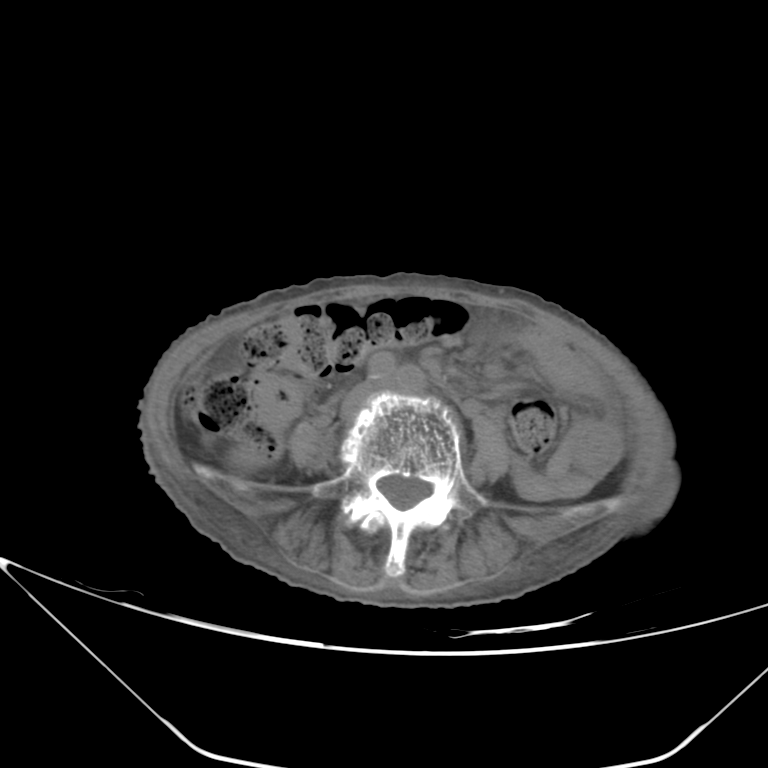

CT, abdomen/pelvis; axial view; soft-tissue window; 768x768 px; scan has 14 labeled organs (a whole-scan count: organs this slice does not pass through have no box)
One row per box, in pixels: columns x1 and y1 give the top-left corner, x2 and y2 the bottom-right.
| organ | x1 | y1 | x2 | y2 |
|---|---|---|---|---|
| right kidney | 231 | 447 | 257 | 466 |